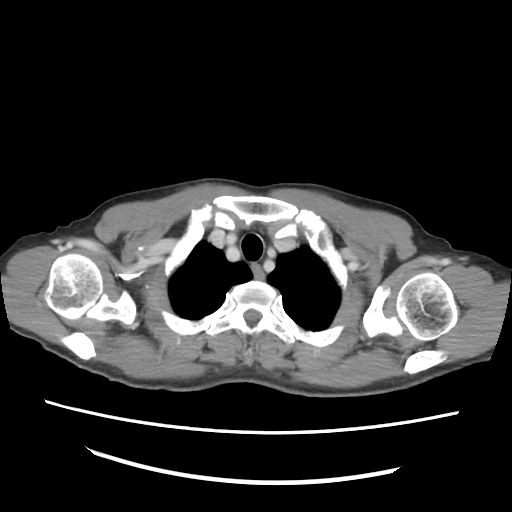 CT of the abdomen extending into the chest, slice through the chest — axial plane, index 107 — soft-tissue window (W 400 / L 40)
On a slice this high in the chest, this dataset labels only the esophagus and the aorta, and each is boxed only where it is labeled; the heart, lungs and other chest structures are not labeled.
Organ boxes in pixel coordinates; each row gives the top-left (x1, y1) and bottom-right (x2, y2) corners.
| organ | x1 | y1 | x2 | y2 |
|---|---|---|---|---|
| esophagus | 251 | 264 | 264 | 282 |